Abdominal CT; axial plane, index 17; 512x512 px; 15 organs annotated in this scan (counted over the whole 3D scan, not this slice; an organ is boxed only where this slice passes through it)
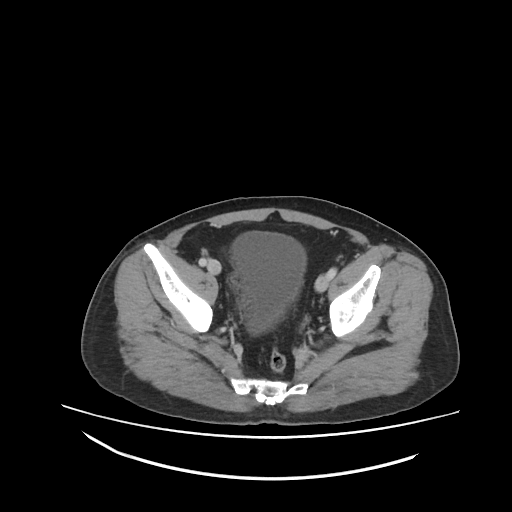

{"organs":{"bladder":[230,232,306,331]}}